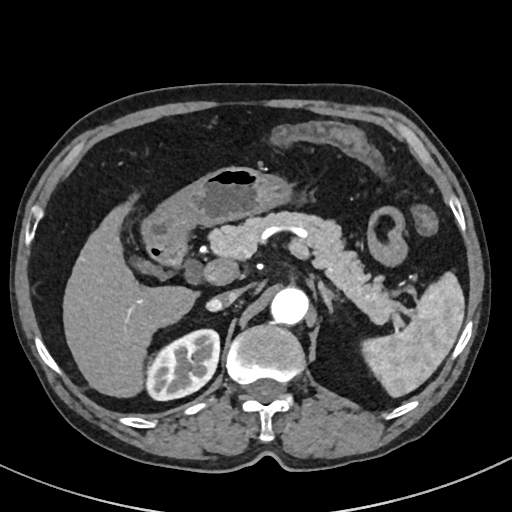 Abdominal CT; axial view
Each box given as x1,y1,x2,y2.
Organ bounding boxes:
- spleen: x1=362, y1=270, x2=465, y2=396
- right kidney: x1=147, y1=328, x2=219, y2=400
- gall bladder: x1=138, y1=261, x2=167, y2=280
- liver: x1=63, y1=204, x2=194, y2=396
- stomach: x1=140, y1=166, x2=287, y2=248
- aorta: x1=271, y1=286, x2=309, y2=323
- inferior vena cava: x1=207, y1=288, x2=245, y2=311
- pancreas: x1=208, y1=210, x2=398, y2=324
- left adrenal gland: x1=318, y1=281, x2=335, y2=307
- duodenum: x1=147, y1=245, x2=188, y2=265